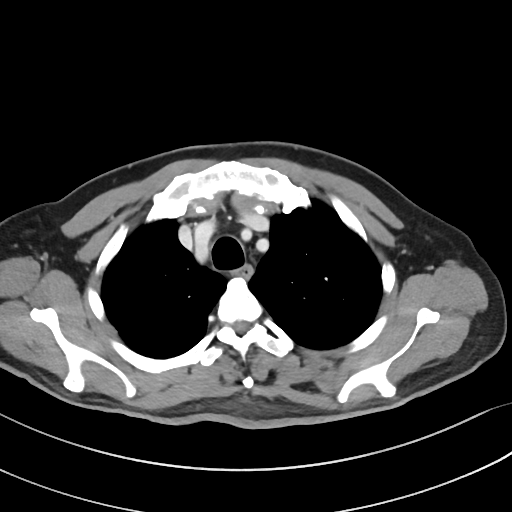

Abdominal CT reaching into the chest; this slice is in the chest · axial view · W/L 400/40 HU · scan has 15 labeled organs (counted over the whole 3D scan, not this slice; an organ is boxed only where this slice passes through it)
At this level of the chest no structure but the esophagus and the aorta has a label in this dataset, and those two are boxed only where they are labeled.
One row per box, in pixels: columns x1 and y1 give the top-left corner, x2 and y2 the bottom-right.
| organ | x1 | y1 | x2 | y2 |
|---|---|---|---|---|
| esophagus | 233 | 266 | 252 | 277 |